Abdominal CT; axial plane, index 10; 62-year-old male patient
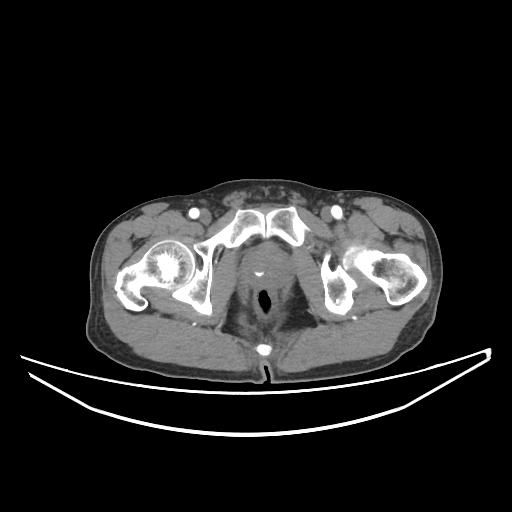
Boxes are (x1, y1, x2, y2) in pixels. The annotated organs in this slice are: prostate/uterus at (243, 246, 290, 287).